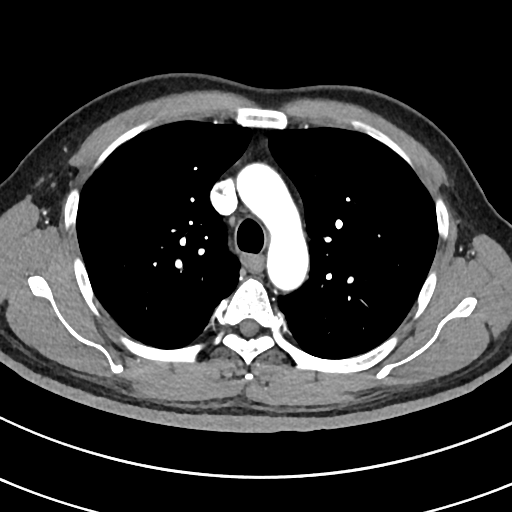
Abdominal CT reaching into the chest; this slice is in the chest · axial view · 512x512 px · acquired on SOMATOM Force
At this level of the chest this dataset labels only the esophagus and the aorta, and each is boxed only where it is labeled; the heart and lungs are never labeled.
{"organs":{"esophagus":[245,256,261,270],"aorta":[235,162,309,293]}}